Computed tomography, abdomen · axial view
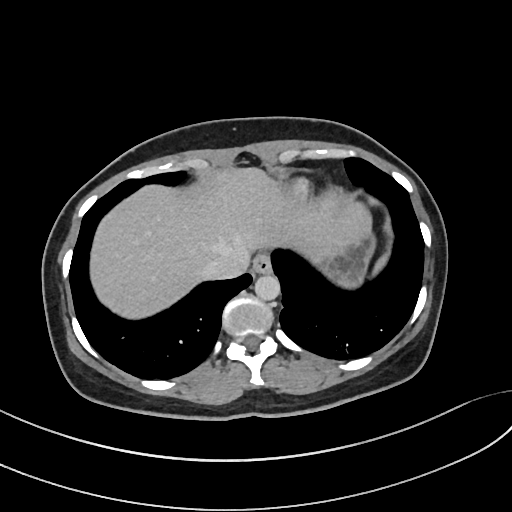

Boxes: x1:y1:x2:y2 in pixels.
Organ bounding boxes:
- stomach: 313:230:374:286
- liver: 90:166:371:318
- spleen: 370:251:389:274
- aorta: 254:273:279:300
- esophagus: 253:254:272:273
- inferior vena cava: 202:252:247:281